Abdominal CT · axial view · soft-tissue window (W 400 / L 40) · 47-year-old male patient · scan has 15 labeled organs (that count is for the whole scan; organs this slice misses have no box)
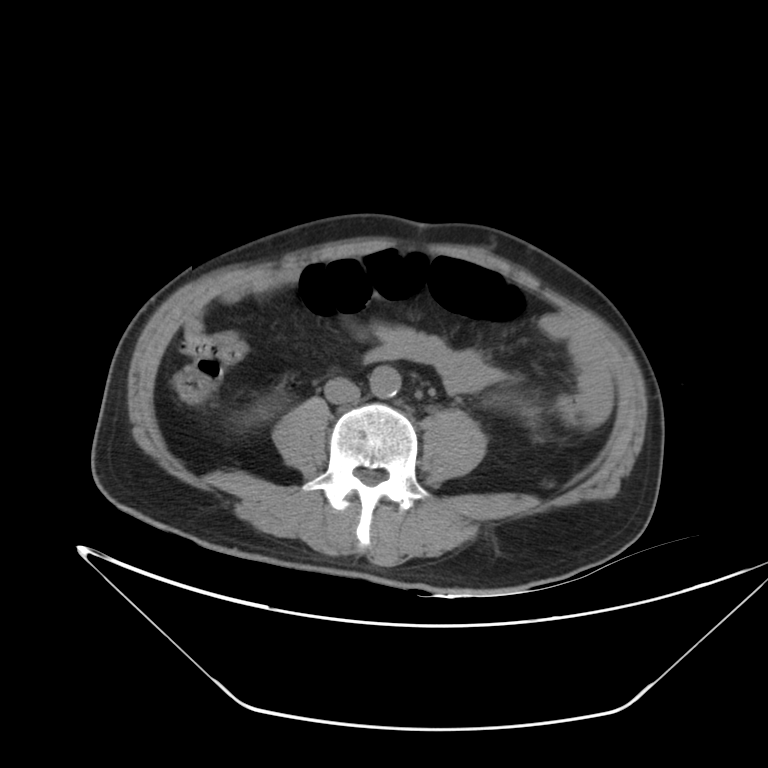

<organs><organ name="aorta" x1="370" y1="366" x2="401" y2="398"/><organ name="inferior vena cava" x1="324" y1="378" x2="360" y2="402"/></organs>